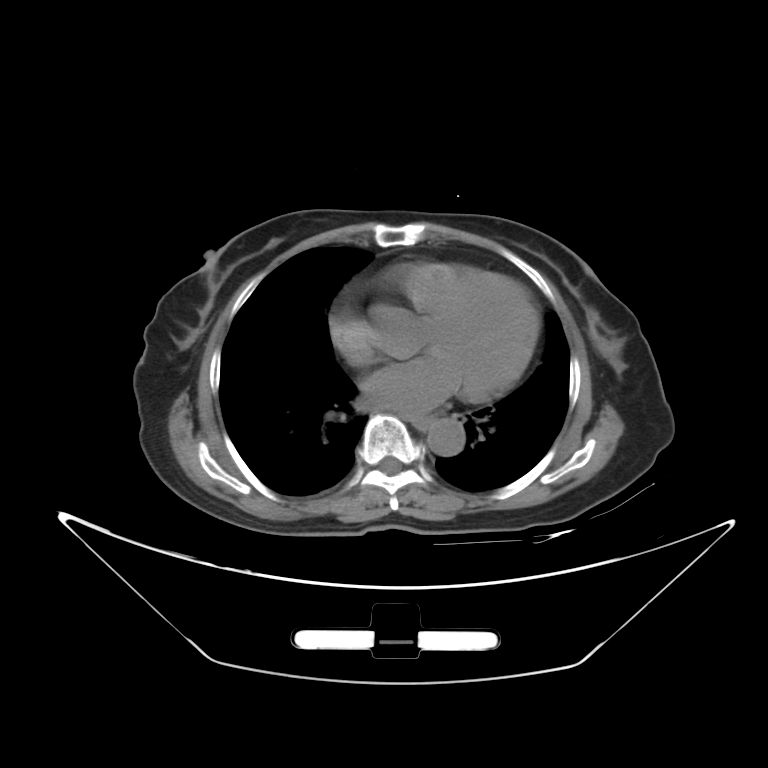

Abdominal CT; this slice is in the lower chest, just above the liver · axial plane, index 88 · W/L 400/40 HU · 768x768 px · 66-year-old female patient
Of the structures in the chest, this dataset labels only the esophagus, the aorta and the inferior vena cava; the heart and lungs have no label. Coordinates as <box>x1,y1,x2,y2</box> in pixels. Labeled organs on this slice: esophagus at <box>413,418,431,428</box>, aorta at <box>427,418,465,456</box>.